CT abdomen; Axial slice 72/242; 512x512 px
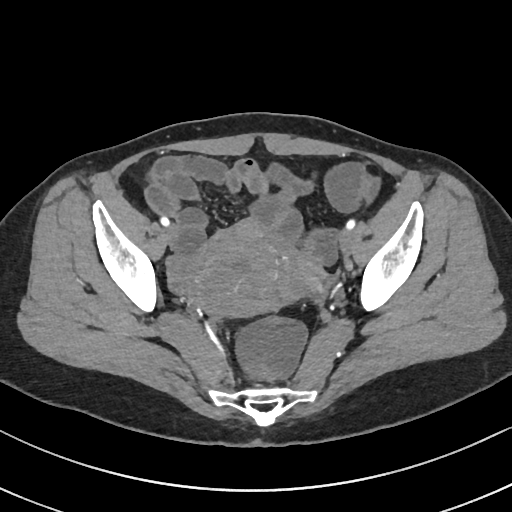

{"organs":{"prostate/uterus":[191,221,282,315]}}